Computed tomography, abdomen · Axial slice 67/87 · 512x512 px · 49-year-old male patient · scan has 14 labeled organs (counted over the whole 3D scan, not this slice; an organ is boxed only where this slice passes through it)
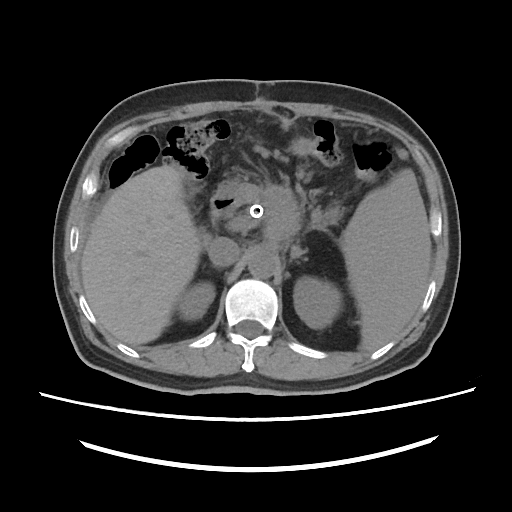

Boxes: x1:y1:x2:y2 in pixels.
liver: 81:165:210:344
duodenum: 210:181:243:219
left kidney: 293:276:342:328
inferior vena cava: 208:237:240:266
right kidney: 177:281:214:320
left adrenal gland: 290:245:306:260
spleen: 341:169:430:347
aorta: 247:250:276:278
pancreas: 239:184:300:229